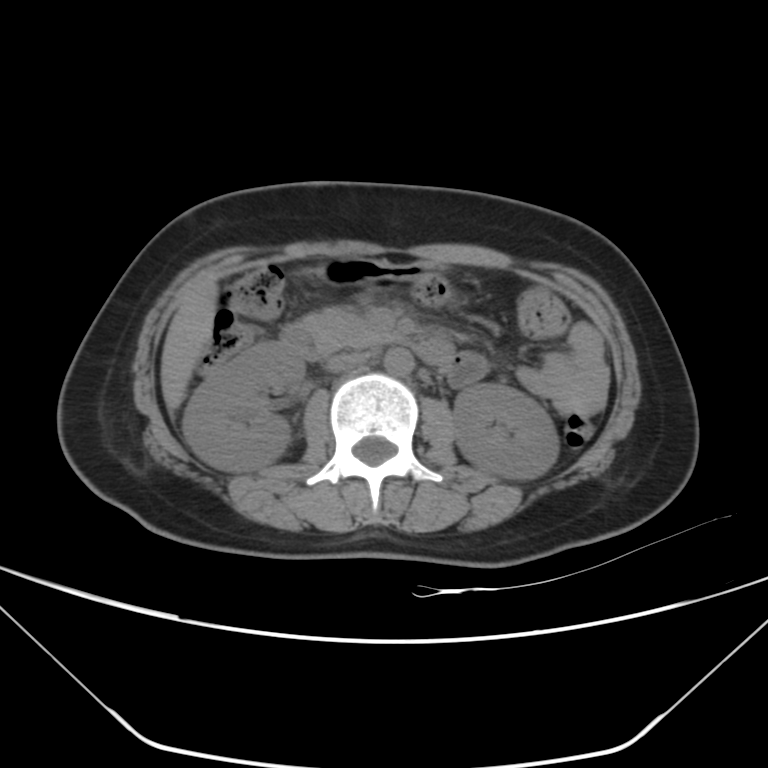
Computed tomography, abdomen — axial view — W/L 400/40 HU — 768x768 px — Brilliance16 scanner
<organs><organ name="right kidney" x1="183" y1="342" x2="303" y2="471"/><organ name="left kidney" x1="453" y1="384" x2="559" y2="479"/><organ name="liver" x1="161" y1="272" x2="217" y2="410"/><organ name="stomach" x1="316" y1="257" x2="425" y2="285"/><organ name="aorta" x1="384" y1="347" x2="413" y2="376"/><organ name="inferior vena cava" x1="326" y1="352" x2="369" y2="371"/><organ name="pancreas" x1="301" y1="308" x2="390" y2="351"/><organ name="duodenum" x1="279" y1="323" x2="454" y2="368"/></organs>